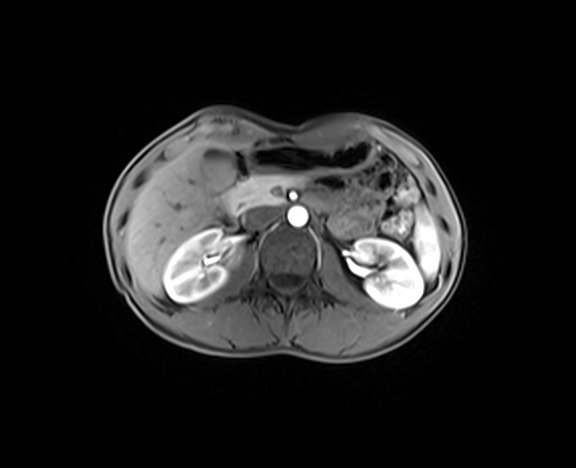
Abdominal MR · Axial slice 32/72
Boxes: x1 y1 x2 y2 (pixel coords, space-separated).
Organ bounding boxes:
- spleen: 413 206 440 276
- right kidney: 163 229 240 302
- left kidney: 352 238 422 308
- gall bladder: 204 148 233 191
- liver: 125 139 233 295
- stomach: 245 139 373 174
- aorta: 287 206 307 227
- inferior vena cava: 240 207 277 231
- pancreas: 225 174 304 213
- duodenum: 219 152 321 228